CT, abdomen/pelvis — Axial slice 66/99 — soft-tissue window — 768x768 px — scan has 15 labeled organs (that count is for the whole scan; organs this slice misses have no box)
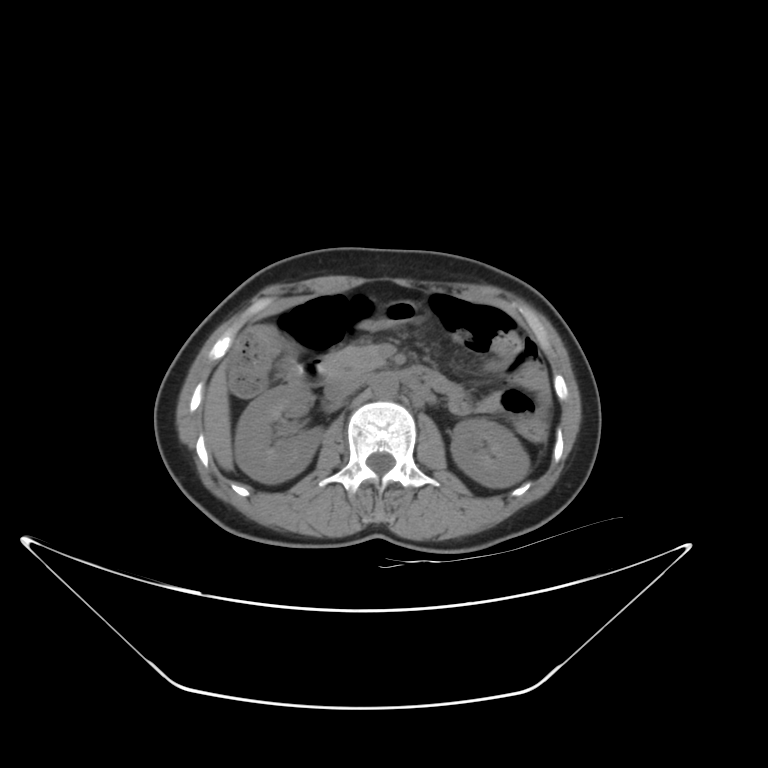
{"organs":{"aorta":[373,373,398,398],"duodenum":[287,360,445,391],"liver":[204,363,233,470],"right kidney":[234,383,323,482],"inferior vena cava":[324,370,365,401],"left kidney":[451,418,529,487],"pancreas":[322,345,386,375]}}